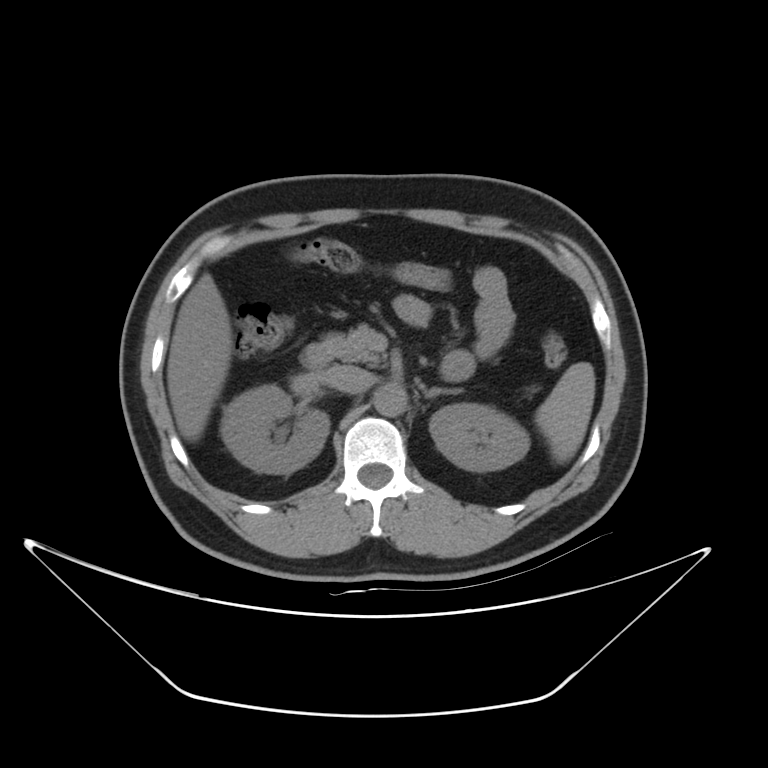 Computed tomography, abdomen; axial view; 40-year-old male patient; acquired on Brilliance16
Boxes are (x1, y1, x2, y2) in pixels.
inferior vena cava: (323, 365, 371, 393)
left adrenal gland: (424, 387, 463, 397)
left kidney: (429, 403, 529, 472)
spleen: (535, 362, 594, 463)
pancreas: (323, 323, 383, 365)
right kidney: (221, 385, 329, 473)
liver: (166, 273, 232, 441)
aorta: (372, 384, 406, 417)
duodenum: (300, 343, 333, 369)